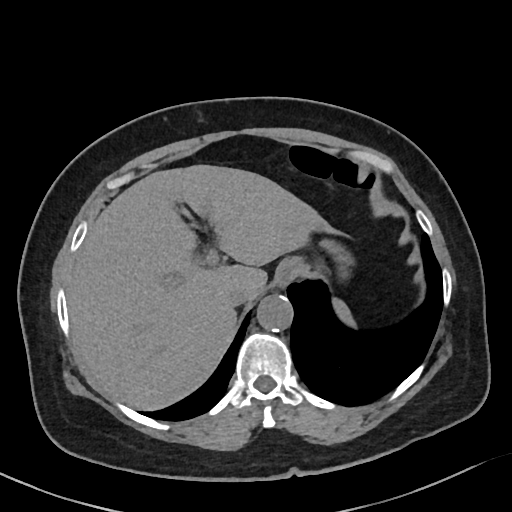
Abdominal CT. Axial slice 163/192. soft-tissue window (W 400 / L 40). 512x512 px
{"organs":{"spleen":[331,297,355,327],"esophagus":[274,258,299,289],"liver":[67,165,331,409],"stomach":[319,240,347,262],"aorta":[256,294,292,331],"inferior vena cava":[226,284,256,305]}}